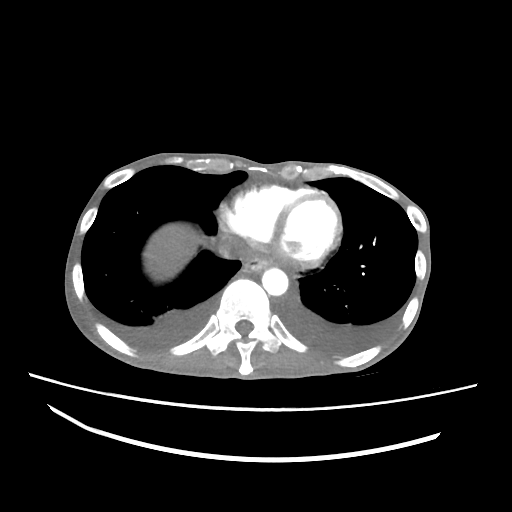
Computed tomography, abdomen; axial view; 512x512 px; 47-year-old male patient
<organs><organ name="liver" x1="143" y1="223" x2="204" y2="280"/><organ name="esophagus" x1="242" y1="252" x2="272" y2="272"/><organ name="inferior vena cava" x1="217" y1="237" x2="247" y2="258"/><organ name="aorta" x1="262" y1="268" x2="288" y2="295"/></organs>